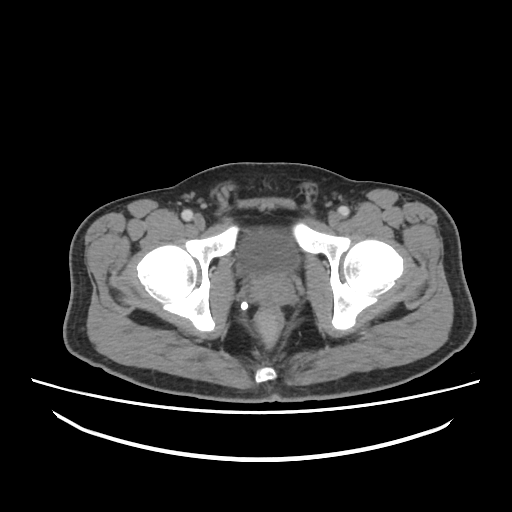

CT, abdomen/pelvis · axial view
Coordinates as <box>x1,y1,x2,y2</box> in pixels.
Organ bounding boxes:
- bladder: <box>237,228,298,277</box>
- prostate/uterus: <box>250,274,293,305</box>